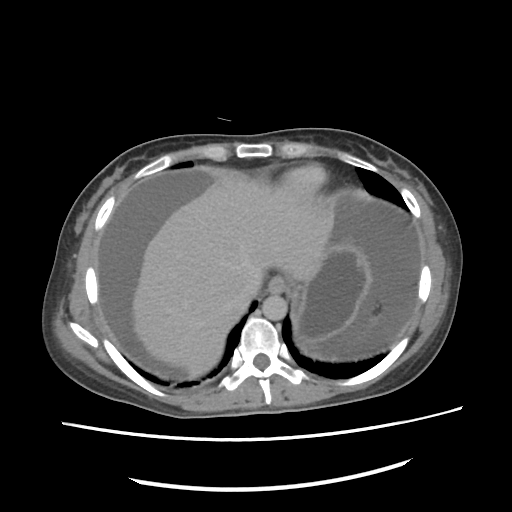 CT, abdomen/pelvis · axial view · 512x512 px · 39-year-old female patient
<organs><organ name="esophagus" x1="271" y1="277" x2="284" y2="291"/><organ name="liver" x1="133" y1="179" x2="333" y2="377"/><organ name="stomach" x1="295" y1="240" x2="370" y2="343"/><organ name="aorta" x1="262" y1="292" x2="286" y2="320"/><organ name="inferior vena cava" x1="242" y1="272" x2="261" y2="305"/></organs>